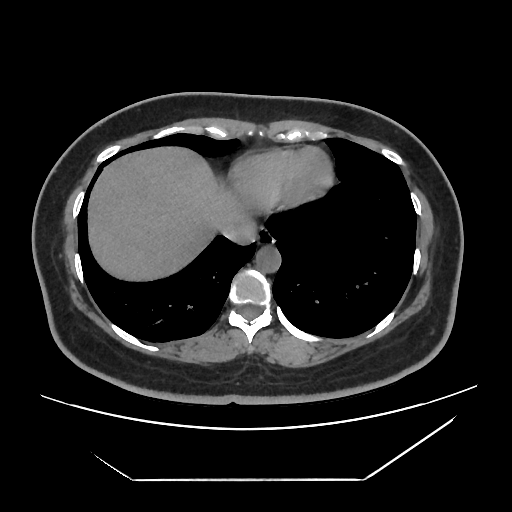

Computed tomography, abdomen. axial view
{"organs":{"esophagus":[257,228,274,245],"liver":[88,147,245,280],"aorta":[256,245,280,272],"inferior vena cava":[220,216,256,244]}}